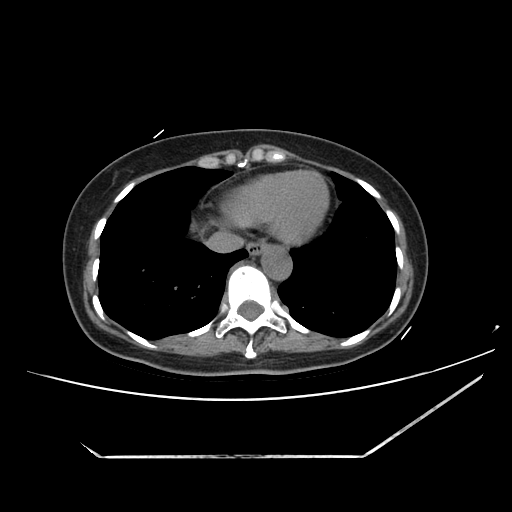 CT of the abdomen reaching into the lower chest, slice just above the liver and spleen — axial view — 512x512 px — 14 organs annotated in this scan (a whole-scan count: organs this slice does not pass through have no box)
The heart and lungs are never labeled in this dataset, so they have no box on this slice.
Box edges are left/top/right/bottom in pixels.
Organ bounding boxes:
- inferior vena cava: left=206, top=230, right=244, bottom=253
- aorta: left=261, top=245, right=292, bottom=280
- esophagus: left=246, top=240, right=265, bottom=255